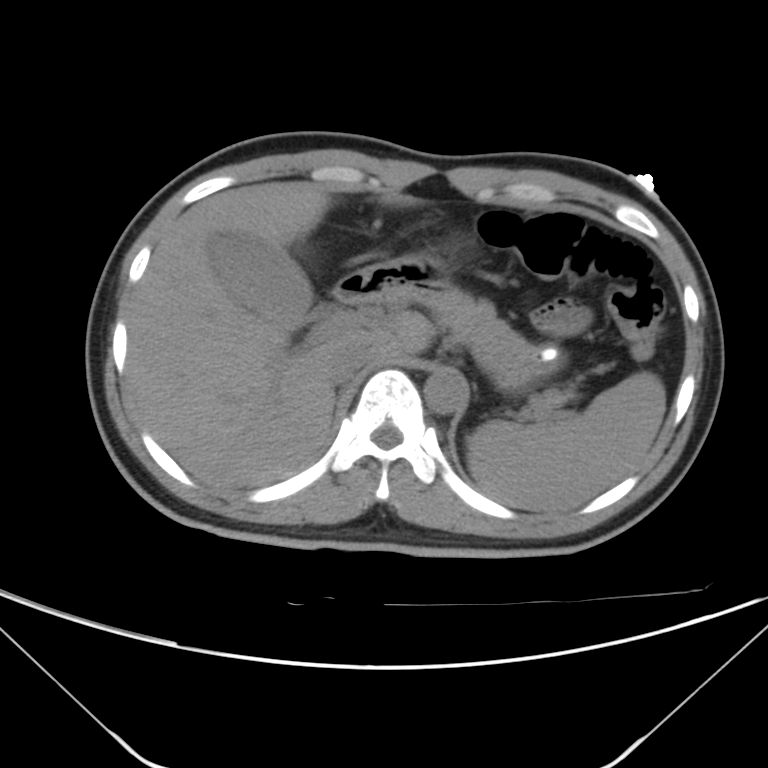

CT, abdomen/pelvis. axial view. soft-tissue window (W 400 / L 40). scan has 15 labeled organs (counted over the whole 3D scan, not this slice; an organ is boxed only where this slice passes through it)
Coordinates as <box>x1,y1,x2,y2</box> in pixels. Labeled organs on this slice: spleen at <box>467,371,666,512</box>, gall bladder at <box>208,233,313,331</box>, liver at <box>127,182,427,489</box>, stomach at <box>364,246,564,386</box>, aorta at <box>423,369,466,414</box>, inferior vena cava at <box>327,338,376,385</box>, pancreas at <box>423,290,562,413</box>, duodenum at <box>332,270,377,305</box>.